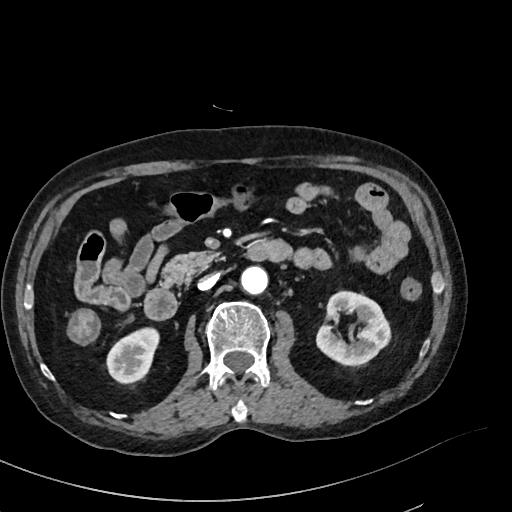

CT abdomen — axial plane, index 143 — 15 organs annotated in this scan (counted over the whole 3D scan, not this slice; an organ is boxed only where this slice passes through it)
Bounding boxes as [x1, y1, x2, y2] in pixel coordinates.
Organ bounding boxes:
- aorta: [241, 266, 268, 294]
- duodenum: [144, 244, 267, 319]
- left kidney: [316, 291, 390, 365]
- inferior vena cava: [198, 274, 218, 290]
- right kidney: [106, 327, 159, 383]
- pancreas: [161, 251, 217, 287]